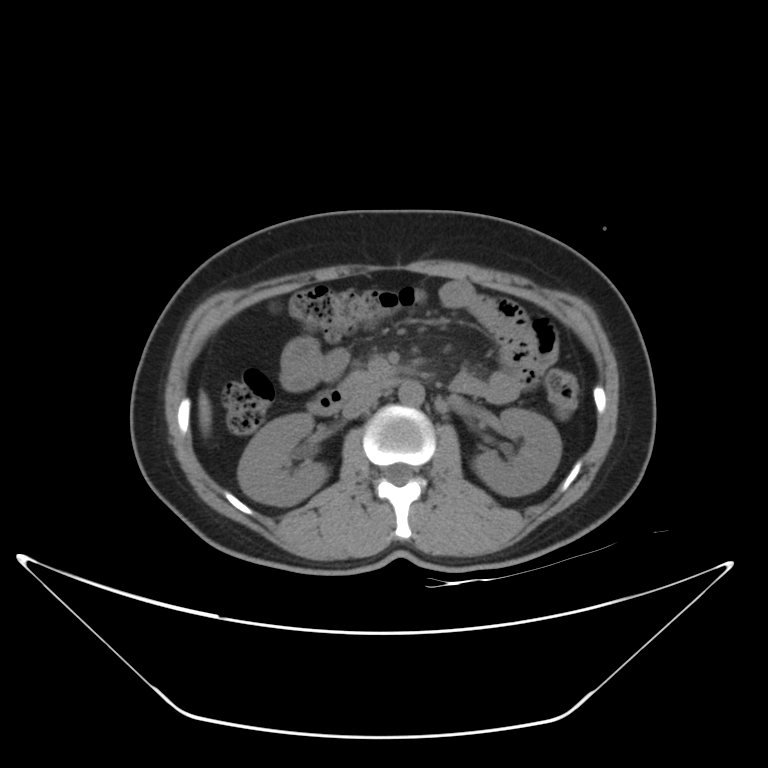 Computed tomography, abdomen · axial view · 768x768 px
Bounding boxes as [x1, y1, x2, y2] in pixel coordinates. 7 labeled organs on this slice — right kidney at [238, 414, 328, 505]; liver at [197, 391, 211, 426]; pancreas at [341, 371, 378, 394]; aorta at [399, 380, 423, 406]; left kidney at [473, 408, 562, 496]; duodenum at [307, 376, 395, 415]; inferior vena cava at [342, 385, 382, 418].